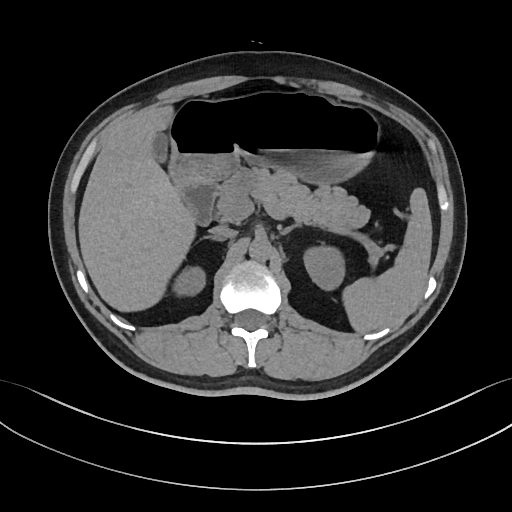

Abdominal CT — axial view — W/L 400/40 HU
Box edges are left/top/right/bottom in pixels. Labeled organs on this slice: spleen at left=342, top=187, right=432, bottom=333, right kidney at left=176, top=268, right=205, bottom=294, left kidney at left=303, top=246, right=344, bottom=290, gall bladder at left=152, top=132, right=168, bottom=162, liver at left=78, top=105, right=195, bottom=311, stomach at left=169, top=89, right=380, bottom=184, aorta at left=249, top=237, right=271, bottom=261, inferior vena cava at left=210, top=225, right=236, bottom=238, pancreas at left=217, top=168, right=369, bottom=232, right adrenal gland at left=206, top=235, right=220, bottom=241, left adrenal gland at left=279, top=224, right=297, bottom=234, duodenum at left=173, top=176, right=217, bottom=226.